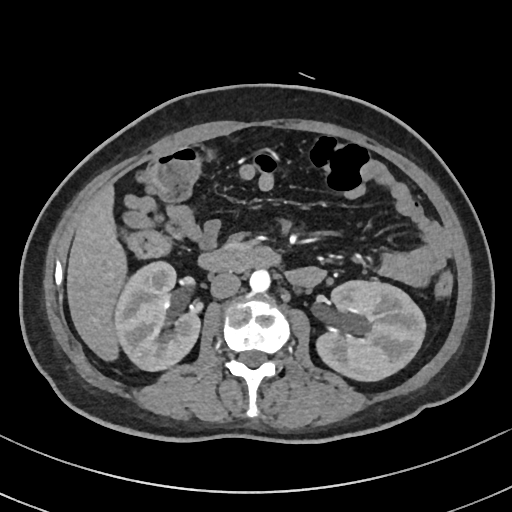 CT abdomen; axial plane, index 117; W/L 400/40 HU; scan has 15 labeled organs (that count is for the whole scan; organs this slice misses have no box)
Boxes: x1:y1:x2:y2 in pixels. The annotated organs in this slice are: right kidney at 113:260:199:370, left kidney at 318:280:425:380, liver at 67:186:124:359, aorta at 249:268:270:291, inferior vena cava at 210:272:240:298, pancreas at 222:241:249:249, duodenum at 200:247:278:272.